Abdominal CT · axial view · 512x512 px
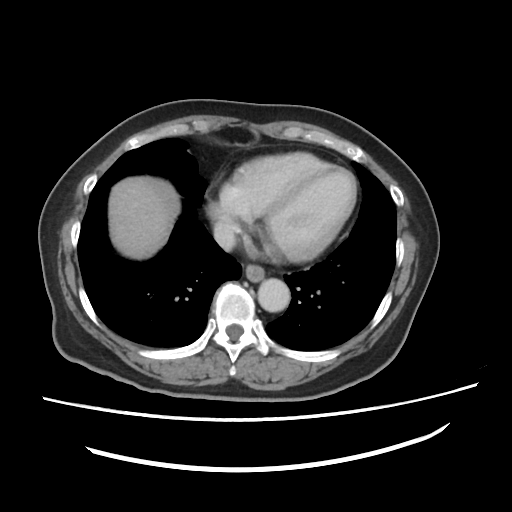

Coordinates as <box>x1,y1,x2,y2</box> in pixels.
esophagus: <box>245,265,263,281</box>
liver: <box>110,177,180,258</box>
aorta: <box>258,278,290,312</box>
inferior vena cava: <box>214,225,233,247</box>